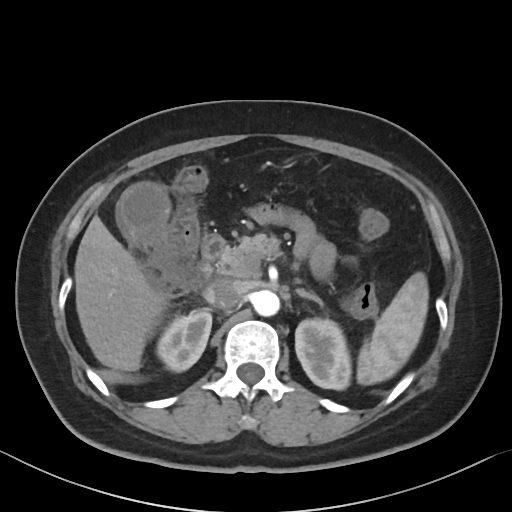

CT abdomen — axial view — 512x512 px — acquired on SOMATOM Force — scan has 15 labeled organs (that count is for the whole scan; organs this slice misses have no box)
<organs><organ name="pancreas" x1="216" y1="234" x2="278" y2="277"/><organ name="left kidney" x1="295" y1="319" x2="350" y2="389"/><organ name="aorta" x1="251" y1="290" x2="279" y2="316"/><organ name="duodenum" x1="202" y1="234" x2="225" y2="261"/><organ name="gall bladder" x1="116" y1="184" x2="168" y2="242"/><organ name="right kidney" x1="156" y1="309" x2="212" y2="371"/><organ name="left adrenal gland" x1="298" y1="290" x2="322" y2="306"/><organ name="spleen" x1="357" y1="272" x2="428" y2="385"/><organ name="liver" x1="74" y1="216" x2="167" y2="371"/><organ name="inferior vena cava" x1="203" y1="278" x2="244" y2="309"/></organs>